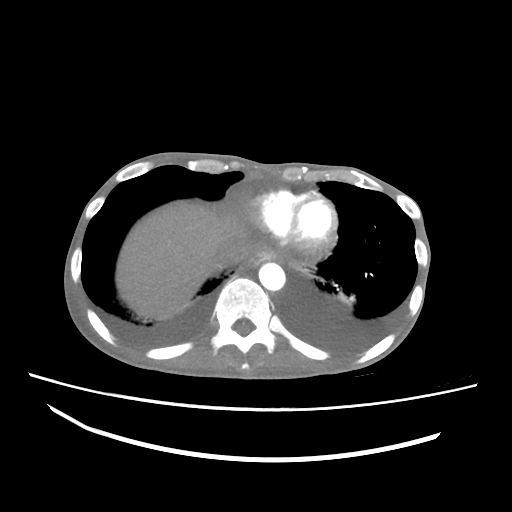
Abdominal CT. axial view. 47-year-old male patient
{"organs":{"inferior vena cava":[213,242,245,268],"liver":[116,201,256,319],"aorta":[258,262,285,290],"esophagus":[245,250,275,267]}}